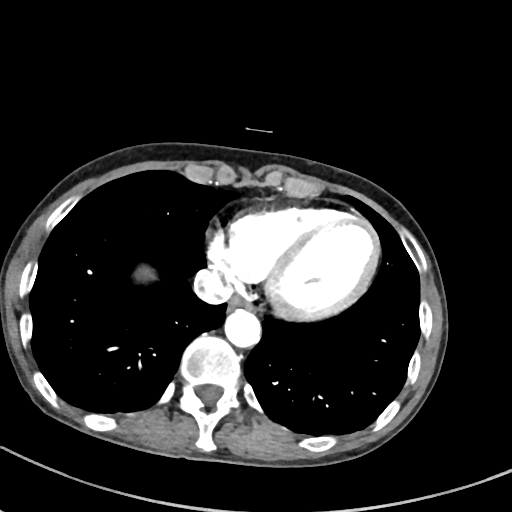 CT of the abdomen reaching into the lower chest, slice just above the liver and spleen. axial plane, index 202. 15 organs annotated in this scan (counted over the whole 3D scan, not this slice; an organ is boxed only where this slice passes through it)
The heart and lungs are never labeled in this dataset, so they have no box on this slice. Coordinates as <box>x1,y1,x2,y2</box> in pixels. Labeled organs on this slice: esophagus at <box>228,297,253,311</box>, aorta at <box>224,310,261,348</box>, inferior vena cava at <box>193,271,233,303</box>.